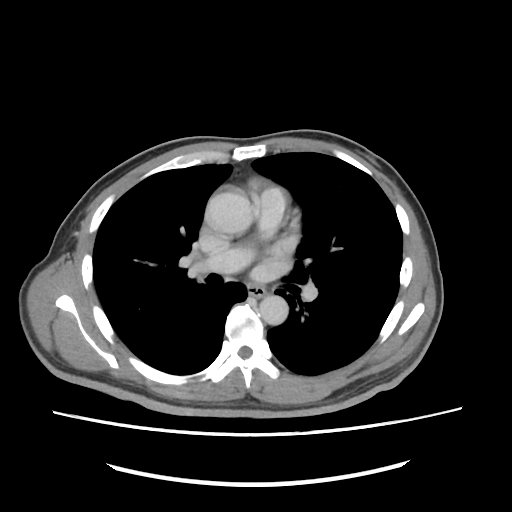
Abdominal CT reaching into the chest; this slice is in the chest; axial view; W/L 400/40 HU; 512x512 px; 54-year-old male patient
At this level of the chest this dataset labels only the esophagus and the aorta, and each is boxed only where it is labeled; the heart and lungs are never labeled.
<organs><organ name="aorta" x1="206" y1="192" x2="253" y2="234"/><organ name="aorta" x1="259" y1="295" x2="288" y2="324"/><organ name="esophagus" x1="248" y1="285" x2="266" y2="297"/></organs>